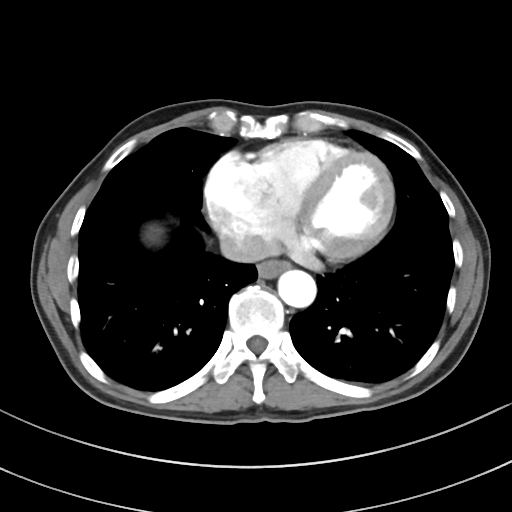

Lower-chest slice from an abdominal CT, just above the liver and spleen — axial view — scan has 15 labeled organs (a whole-scan count: organs this slice does not pass through have no box)
The heart and lungs are never labeled in this dataset, so they have no box on this slice.
Boxes: x1:y1:x2:y2 in pixels.
Organ bounding boxes:
- aorta: 277:270:316:307
- esophagus: 258:260:289:278
- inferior vena cava: 220:234:268:262